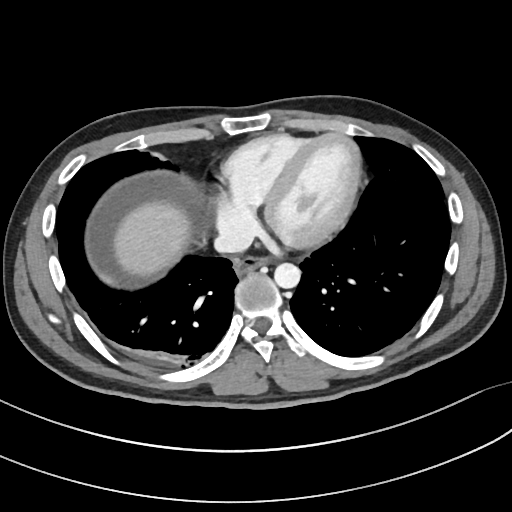

Computed tomography, abdomen — axial view — W/L 400/40 HU — 512x512 px
Bounding boxes in pixels, one row per box: x1, y1 is the top-left corner and x2, y2 the bottom-right.
| organ | x1 | y1 | x2 | y2 |
|---|---|---|---|---|
| esophagus | 234 | 258 | 269 | 275 |
| inferior vena cava | 213 | 224 | 253 | 252 |
| aorta | 274 | 263 | 300 | 289 |
| liver | 114 | 199 | 191 | 276 |